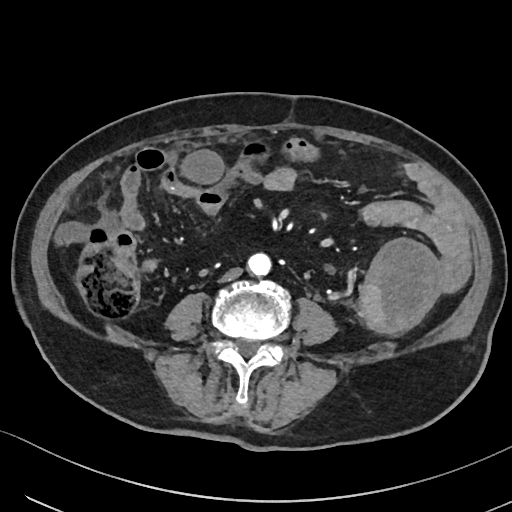 Abdominal CT; axial view; abdomen soft-tissue window
{"organs":{"inferior vena cava":[221,267,242,281],"aorta":[247,253,271,276]}}